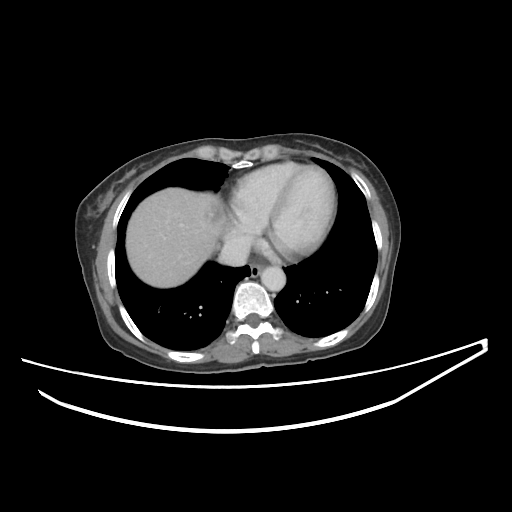

Abdominal CT. Axial slice 83/116. soft-tissue window (W 400 / L 40)
<organs><organ name="liver" x1="126" y1="187" x2="226" y2="287"/><organ name="inferior vena cava" x1="218" y1="241" x2="248" y2="266"/><organ name="aorta" x1="260" y1="266" x2="285" y2="291"/><organ name="esophagus" x1="249" y1="264" x2="263" y2="277"/></organs>